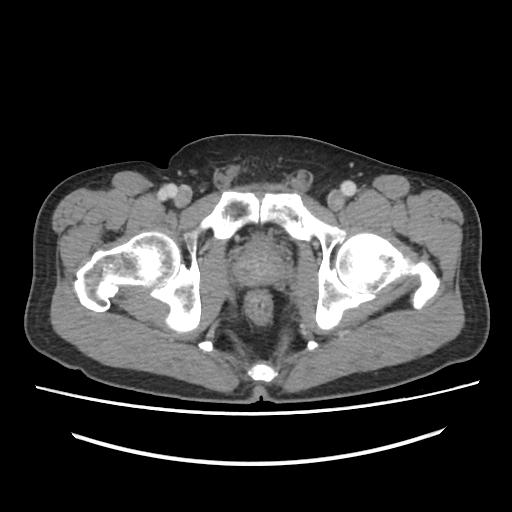

CT, abdomen/pelvis — axial plane, index 11 — abdomen soft-tissue window — 512x512 px
{"organs":{"prostate/uterus":[235,242,284,285]}}